CT, abdomen/pelvis — axial view — soft-tissue window (W 400 / L 40) — Brilliance16 scanner
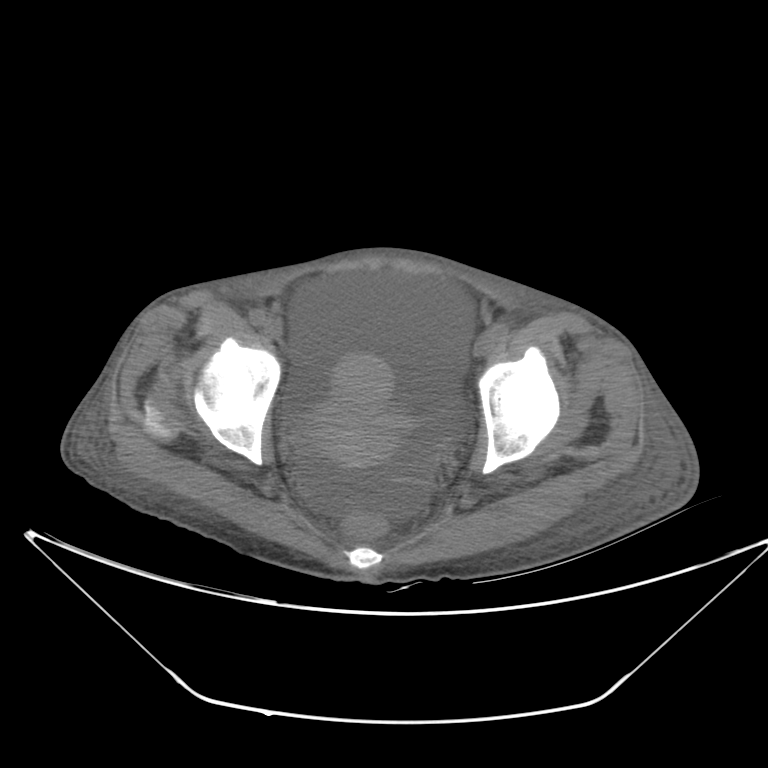

{"organs":{"prostate/uterus":[310,355,396,465]}}